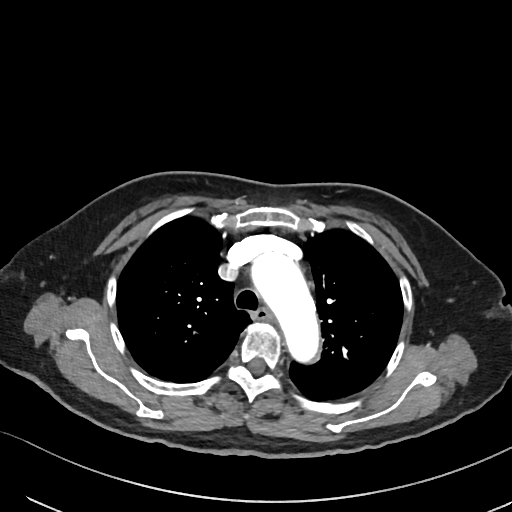 Chest-level slice from an abdominal CT that extends up into the chest; axial view; W/L 400/40 HU; scan has 15 labeled organs (counted over the whole 3D scan, not this slice; an organ is boxed only where this slice passes through it)
At this level of the chest no structure but the esophagus and the aorta has a label in this dataset, and those two are boxed only where they are labeled. Coordinates as <box>x1,y1,x2,y2</box> in pixels. Labeled organs on this slice: esophagus at <box>254,308,274,322</box>, aorta at <box>249,250,320,365</box>.